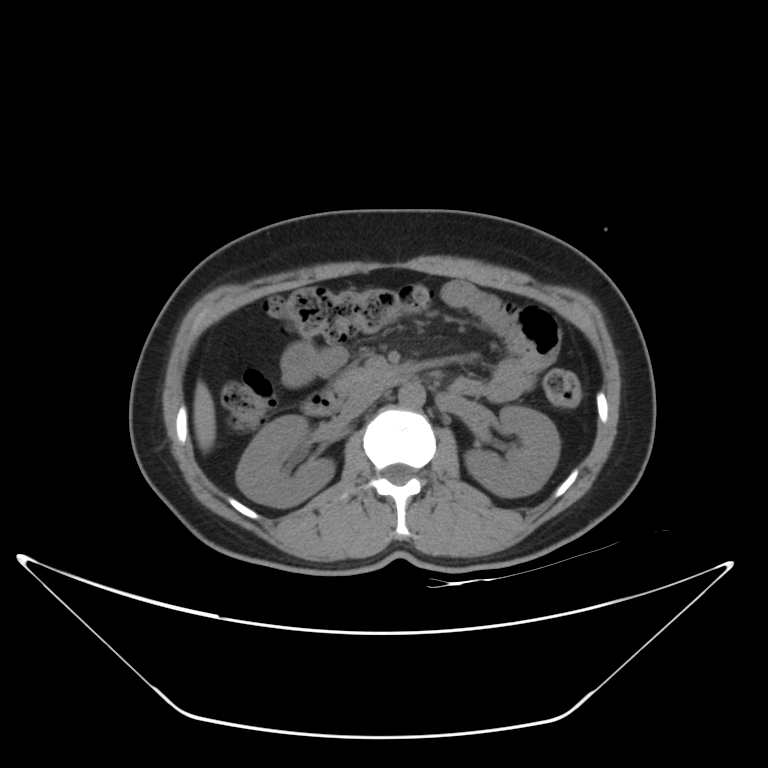
CT, abdomen/pelvis · axial plane, index 66 · abdomen soft-tissue window · 768x768 px · acquired on Brilliance16 · 15 organs annotated in this scan (a whole-scan count: organs this slice does not pass through have no box)
Bounding boxes as [x1, y1, x2, y2] in pixel coordinates. 7 labeled organs on this slice — duodenum at [302, 368, 413, 415]; liver at [193, 381, 215, 450]; right kidney at [236, 415, 335, 507]; aorta at [397, 383, 425, 409]; inferior vena cava at [341, 387, 382, 418]; left kidney at [465, 405, 560, 497]; pancreas at [333, 367, 382, 396].